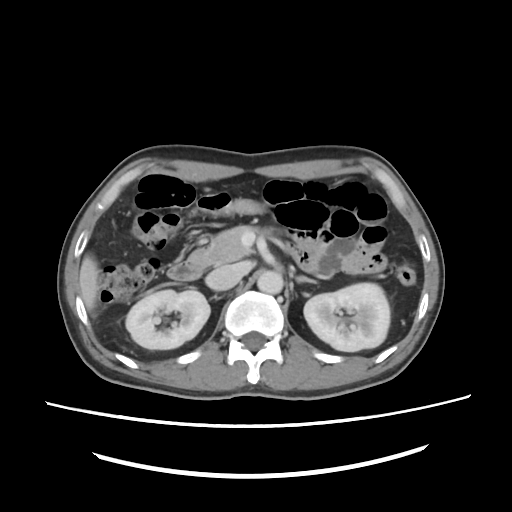 Computed tomography, abdomen. Axial slice 68/126
Each box given as x1,y1,x2,y2.
right kidney: x1=126, y1=290, x2=210, y2=349
left kidney: x1=303, y1=283, x2=390, y2=351
liver: x1=78, y1=255, x2=98, y2=308
aorta: x1=257, y1=270, x2=283, y2=294
inferior vena cava: x1=207, y1=265, x2=241, y2=291
pancreas: x1=206, y1=226, x2=260, y2=264
left adrenal gland: x1=295, y1=276, x2=315, y2=283
duodenum: x1=166, y1=249, x2=212, y2=280